Abdominal MRI · coronal acquisition · Prisma scanner
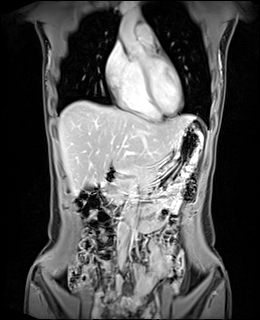 {"organs":{"gall bladder":[84,185,95,191],"liver":[58,101,195,194],"stomach":[139,123,203,189],"aorta":[119,3,139,37],"pancreas":[103,165,156,200],"duodenum":[96,168,143,210]}}